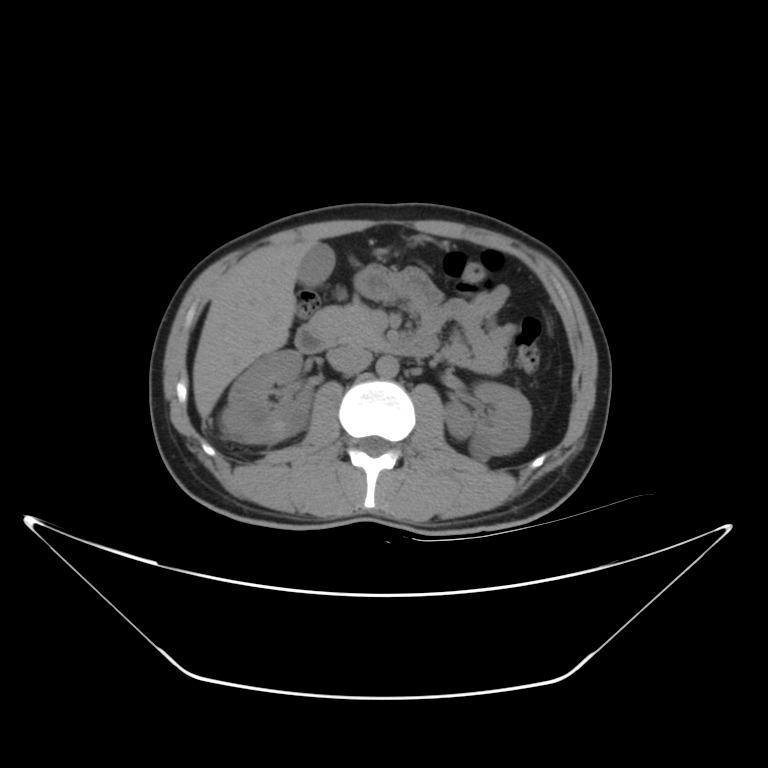
CT abdomen — axial plane, index 61 — abdomen soft-tissue window — 768x768 px — 15 organs annotated in this scan (a whole-scan count: organs this slice does not pass through have no box)
{"organs":{"right kidney":[220,348,313,444],"aorta":[373,355,396,377],"inferior vena cava":[325,343,372,373],"liver":[193,239,327,419],"left kidney":[439,380,532,461],"gall bladder":[300,246,332,284],"duodenum":[295,326,436,355],"pancreas":[311,303,381,347]}}